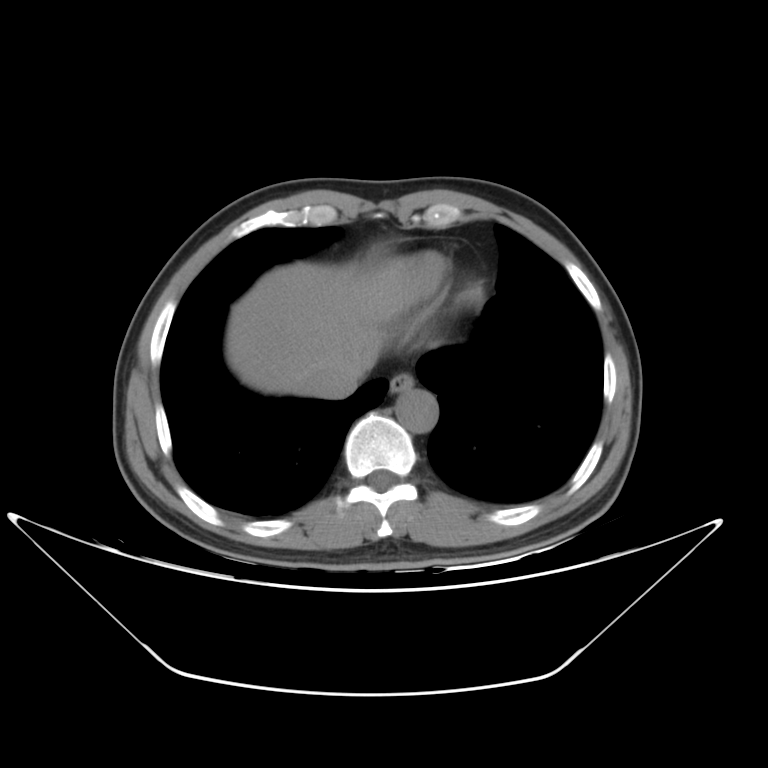
CT abdomen; axial plane, index 95; W/L 400/40 HU; 53-year-old male patient
Each box given as x1,y1,x2,y2. The annotated organs in this slice are: liver at x1=228, y1=262, x2=381, y2=395, inferior vena cava at x1=318, y1=373, x2=361, y2=397, esophagus at x1=390, y1=373, x2=415, y2=395, aorta at x1=395, y1=388, x2=438, y2=433.